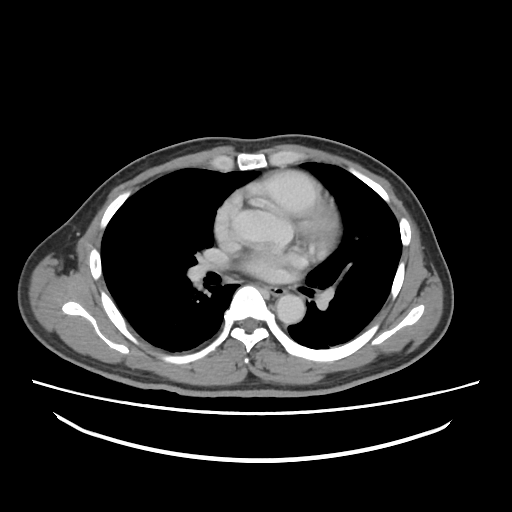

Abdominal CT; this slice is in the lower chest, just above the liver. Axial slice 107/133
No part of the heart or lungs is labeled in this dataset, so neither has a box here.
Each box given as x1,y1,x2,y2.
Organ bounding boxes:
- esophagus: x1=266, y1=286, x2=286, y2=296
- aorta: x1=276, y1=294, x2=305, y2=324